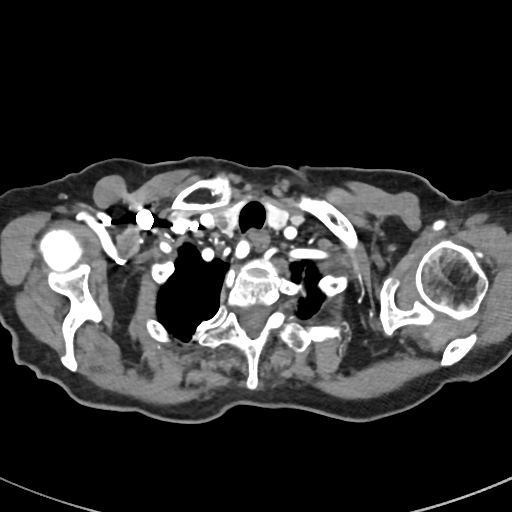 Chest-level slice from an abdominal CT that extends up into the chest; axial view; soft-tissue window, W/L 400/40
At this level of the chest this dataset labels only the esophagus and the aorta, and each is boxed only where it is labeled; the heart and lungs are never labeled.
Coordinates as <box>x1,y1,x2,y2</box> in pixels.
esophagus: <box>249,235,269,252</box>